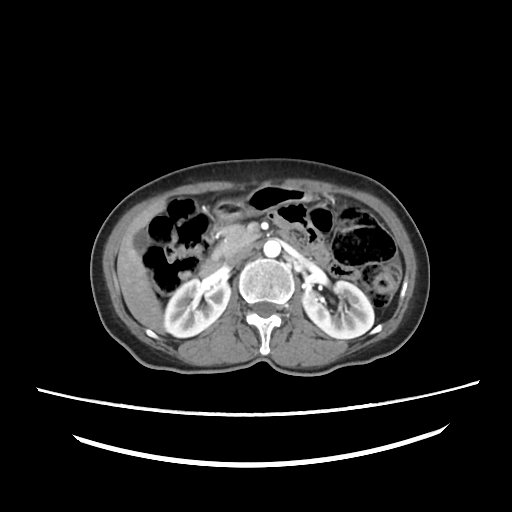
Computed tomography, abdomen · axial view
<organs><organ name="right kidney" x1="165" y1="279" x2="231" y2="337"/><organ name="left kidney" x1="301" y1="280" x2="374" y2="339"/><organ name="gall bladder" x1="133" y1="231" x2="150" y2="251"/><organ name="liver" x1="117" y1="199" x2="166" y2="333"/><organ name="stomach" x1="212" y1="186" x2="316" y2="222"/><organ name="aorta" x1="263" y1="240" x2="281" y2="256"/><organ name="inferior vena cava" x1="226" y1="244" x2="252" y2="264"/><organ name="pancreas" x1="211" y1="226" x2="262" y2="259"/><organ name="duodenum" x1="197" y1="236" x2="221" y2="277"/></organs>